Abdominal CT; axial view; 768x768 px
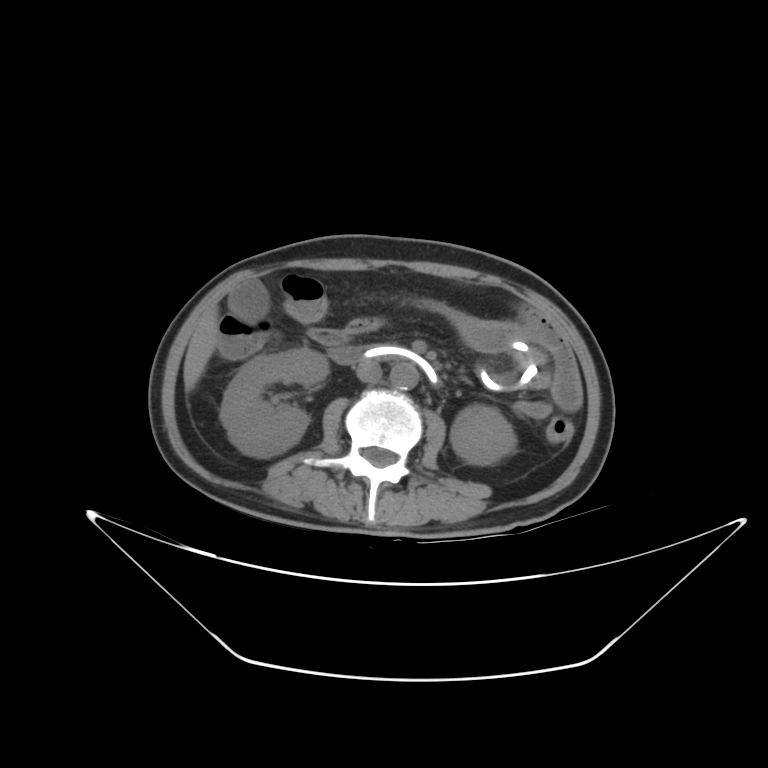
Bounding boxes in pixels, one row per box: x1, y1 is the top-left corner and x2, y2 the bottom-right.
| organ | x1 | y1 | x2 | y2 |
|---|---|---|---|---|
| right kidney | 220 | 348 | 328 | 457 |
| left kidney | 450 | 405 | 516 | 465 |
| gall bladder | 229 | 282 | 267 | 315 |
| liver | 183 | 311 | 218 | 391 |
| aorta | 390 | 363 | 418 | 389 |
| inferior vena cava | 356 | 361 | 382 | 382 |
| duodenum | 327 | 347 | 440 | 386 |